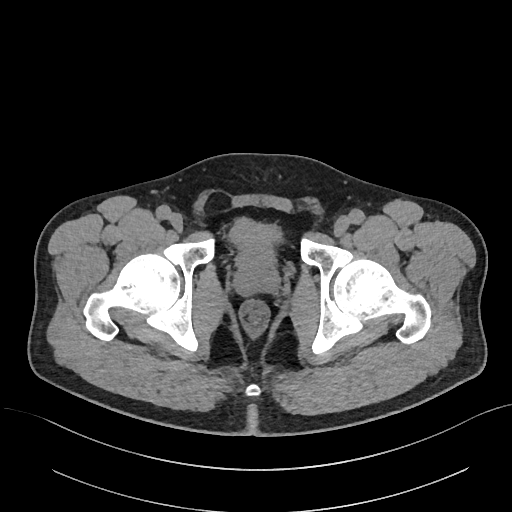

CT abdomen; axial view; 512x512 px
{"organs":{"bladder":[228,216,282,268],"prostate/uterus":[235,267,277,292]}}